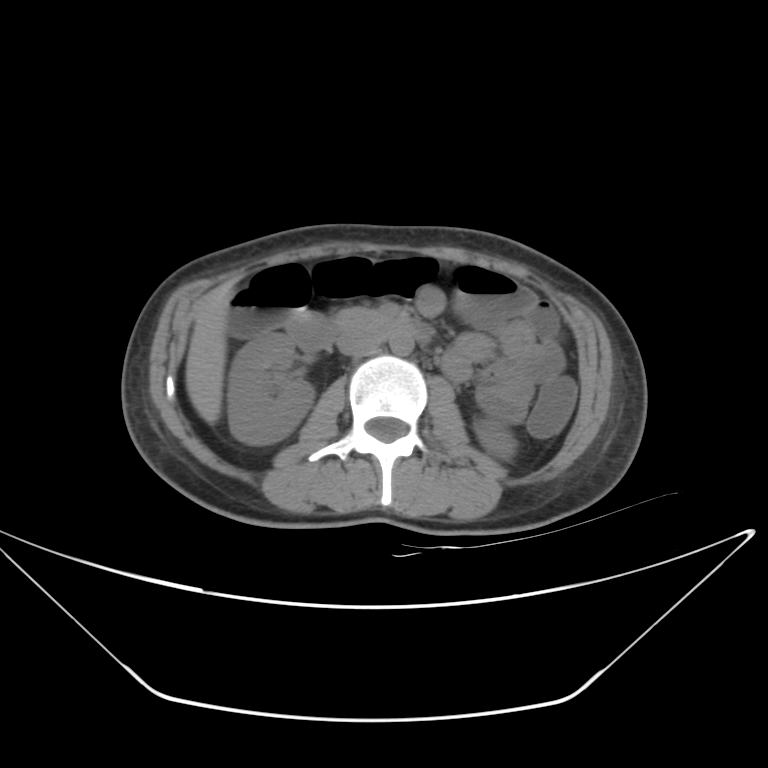
CT, abdomen/pelvis. axial view. abdomen soft-tissue window
{"organs":{"aorta":[390,333,414,355],"right kidney":[226,333,314,444],"pancreas":[334,308,379,330],"liver":[185,285,231,424],"inferior vena cava":[336,331,380,355],"duodenum":[286,314,429,351],"left kidney":[475,418,516,459]}}